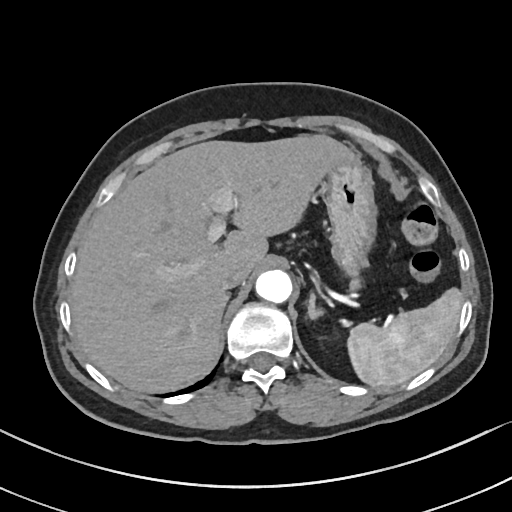 Abdominal CT. axial view. soft-tissue window (W 400 / L 40). 512x512 px
Bounding boxes as [x1, y1, x2, y2] in pixel coordinates.
Organ bounding boxes:
- pancreas: [348, 275, 362, 289]
- left adrenal gland: [308, 293, 322, 317]
- inferior vena cava: [220, 266, 248, 290]
- liver: [70, 135, 350, 392]
- spleen: [347, 288, 462, 387]
- aorta: [256, 270, 291, 303]
- stomach: [324, 156, 378, 277]